Abdominal CT — axial view — 31-year-old male patient
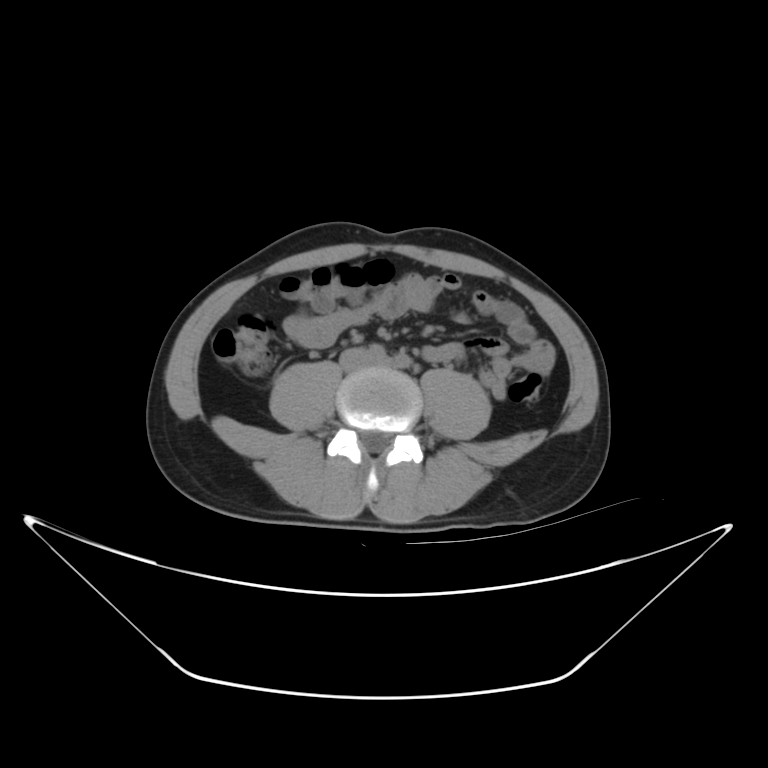 Coordinates as <box>x1,y1,x2,y2</box> in pixels.
Organ bounding boxes:
- inferior vena cava: <box>334,346,373,372</box>